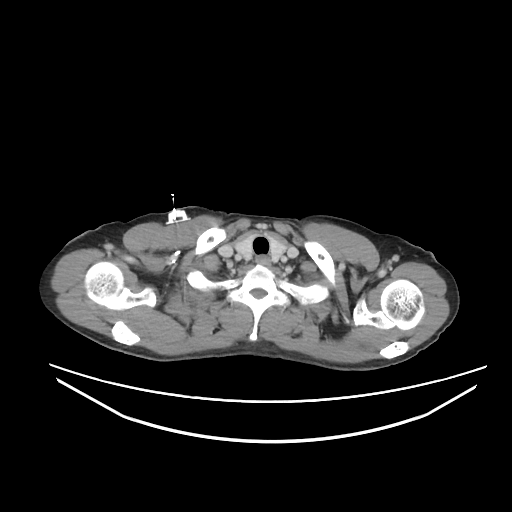
Chest-level CT slice, above the liver and spleen. Axial slice 131/132. soft-tissue window
On a slice this high in the chest, this dataset labels only the esophagus and the aorta, and each is boxed only where it is labeled; the heart, lungs and other chest structures are not labeled.
Coordinates as <box>x1,y1,x2,y2</box> in pixels.
esophagus: <box>256,255,270,264</box>